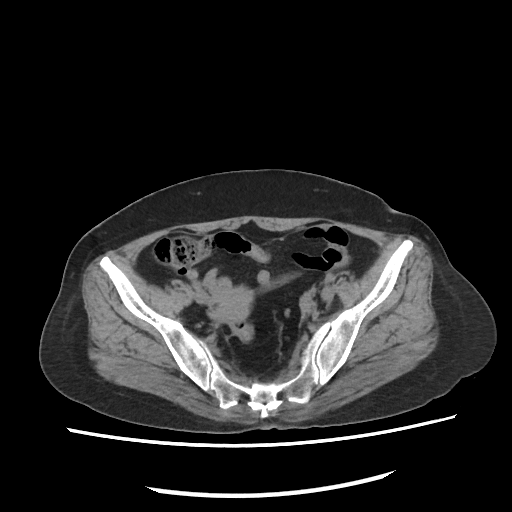 CT abdomen. Axial slice 28/88. soft-tissue window (W 400 / L 40). 512x512 px. 56-year-old female patient. acquired on Aquilion ONE
Organ boxes in pixel coordinates; each row gives the top-left (x1, y1) and bottom-right (x2, y2) corners.
| organ | x1 | y1 | x2 | y2 |
|---|---|---|---|---|
| prostate/uterus | 216 | 298 | 251 | 323 |